CT abdomen · axial view · 512x512 px
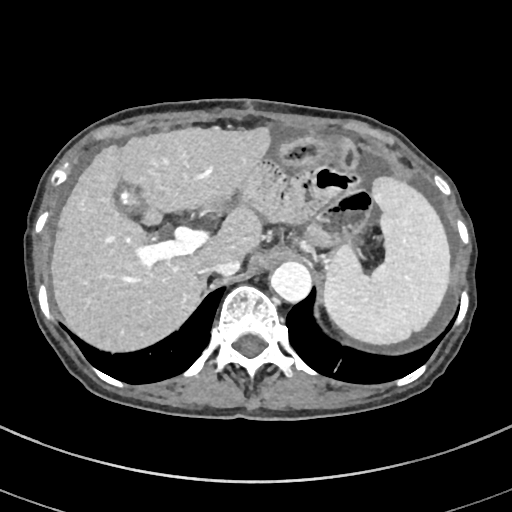

{"organs":{"spleen":[324,176,449,343],"gall bladder":[116,187,142,213],"liver":[51,125,272,349],"aorta":[270,262,312,303],"inferior vena cava":[199,260,240,276],"right adrenal gland":[199,273,208,294]}}